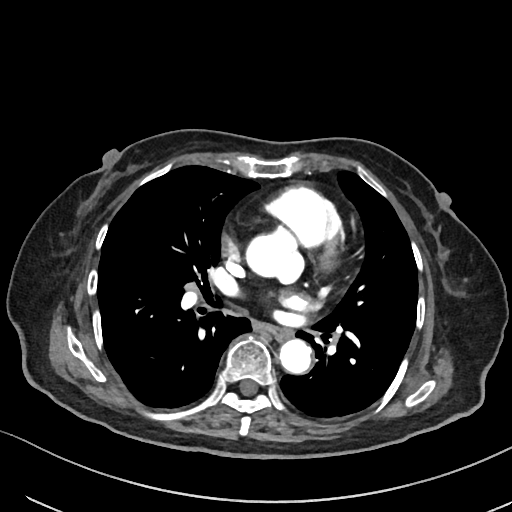

CT of the abdomen reaching into the lower chest, slice just above the liver and spleen · axial view · soft-tissue window, W/L 400/40 · 512x512 px · acquired on SOMATOM Force
The heart and lungs are never labeled in this dataset, so they have no box on this slice.
Boxes: x1:y1:x2:y2 in pixels.
aorta: 245:228:303:283
aorta: 279:340:311:374
esophagus: 269:326:292:341